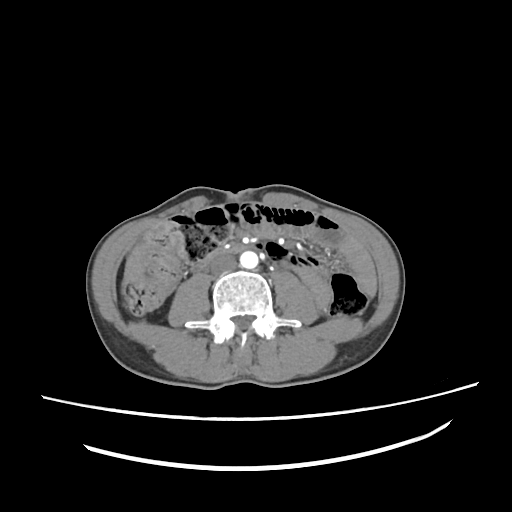

CT abdomen — axial plane, index 51 — soft-tissue window (W 400 / L 40) — 512x512 px — acquired on Aquilion ONE
<organs><organ name="inferior vena cava" x1="210" y1="254" x2="237" y2="275"/><organ name="duodenum" x1="206" y1="246" x2="248" y2="260"/><organ name="liver" x1="124" y1="249" x2="144" y2="282"/><organ name="aorta" x1="240" y1="251" x2="258" y2="268"/></organs>